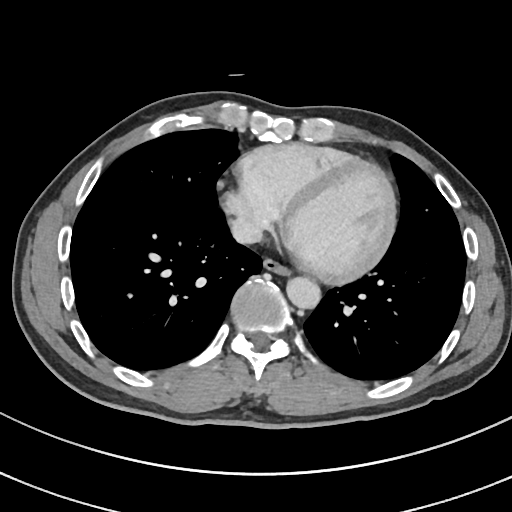

Lower-chest slice from an abdominal CT, just above the liver and spleen; Axial slice 190/298; 15 organs annotated in this scan (counted over the whole 3D scan, not this slice; an organ is boxed only where this slice passes through it)
The heart and lungs are never labeled in this dataset, so they have no box on this slice. Boxes: x1 y1 x2 y2 (pixel coords, space-separated). Labeled organs on this slice: esophagus at 263 258 289 275, aorta at 286 277 320 308, inferior vena cava at 230 217 262 244.